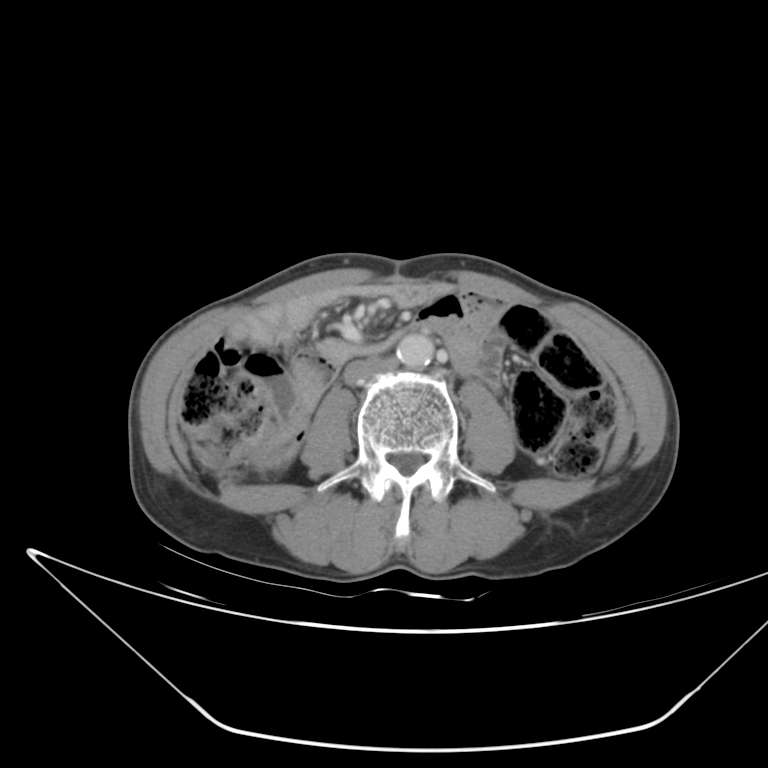 CT, abdomen/pelvis · Axial slice 20/104 · abdomen soft-tissue window
<organs><organ name="aorta" x1="395" y1="335" x2="435" y2="369"/><organ name="inferior vena cava" x1="345" y1="357" x2="398" y2="383"/></organs>